Computed tomography, abdomen — axial view
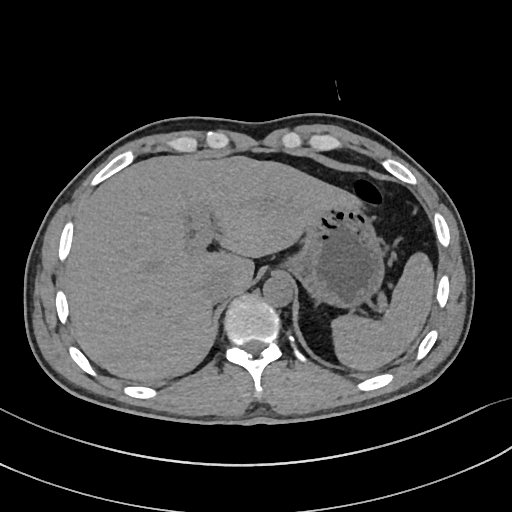
<organs><organ name="spleen" x1="330" y1="254" x2="433" y2="369"/><organ name="liver" x1="67" y1="156" x2="364" y2="381"/><organ name="stomach" x1="284" y1="206" x2="385" y2="308"/><organ name="aorta" x1="263" y1="277" x2="293" y2="306"/><organ name="inferior vena cava" x1="204" y1="273" x2="232" y2="303"/></organs>